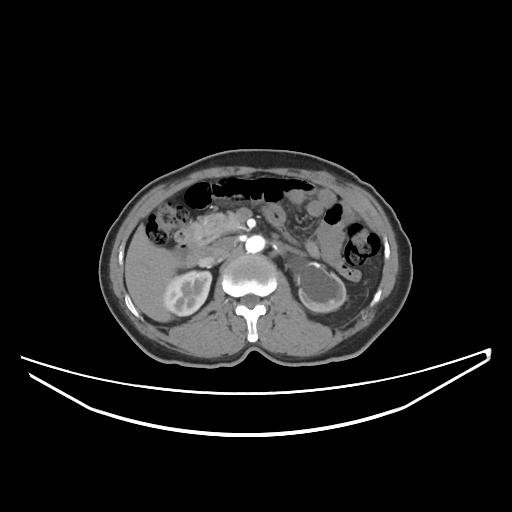 CT abdomen; axial view; soft-tissue window; 512x512 px; scan has 15 labeled organs (that count is for the whole scan; organs this slice misses have no box)
Each box given as x1,y1,x2,y2.
left kidney: x1=299, y1=262, x2=346, y2=312
liver: x1=125, y1=224, x2=178, y2=322
pancreas: x1=188, y1=212, x2=243, y2=245
aorta: x1=245, y1=235, x2=265, y2=253
duodenum: x1=176, y1=230, x2=208, y2=257
right kidney: x1=164, y1=271, x2=211, y2=316
inferior vena cava: x1=208, y1=237, x2=235, y2=258